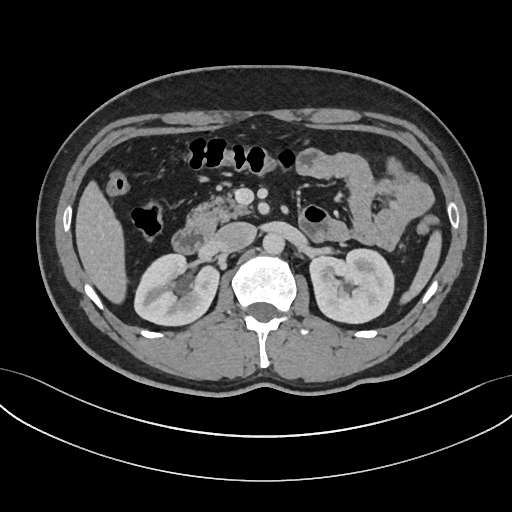

Computed tomography, abdomen. axial view. 512x512 px. scan has 15 labeled organs (that count is for the whole scan; organs this slice misses have no box)
<organs><organ name="duodenum" x1="172" y1="225" x2="213" y2="253"/><organ name="aorta" x1="262" y1="233" x2="284" y2="254"/><organ name="liver" x1="75" y1="181" x2="126" y2="303"/><organ name="spleen" x1="400" y1="230" x2="441" y2="303"/><organ name="left kidney" x1="309" y1="249" x2="393" y2="323"/><organ name="inferior vena cava" x1="215" y1="222" x2="256" y2="251"/><organ name="pancreas" x1="185" y1="192" x2="250" y2="230"/><organ name="right kidney" x1="134" y1="254" x2="219" y2="325"/></organs>